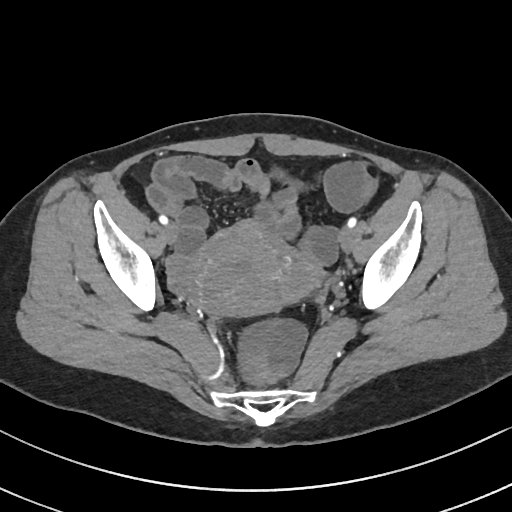 Computed tomography, abdomen — axial view — 512x512 px — scan has 15 labeled organs (a whole-scan count: organs this slice does not pass through have no box)
<organs><organ name="prostate/uterus" x1="176" y1="221" x2="286" y2="315"/></organs>